Computed tomography, abdomen — axial view — W/L 400/40 HU — 15 organs annotated in this scan (a whole-scan count: organs this slice does not pass through have no box)
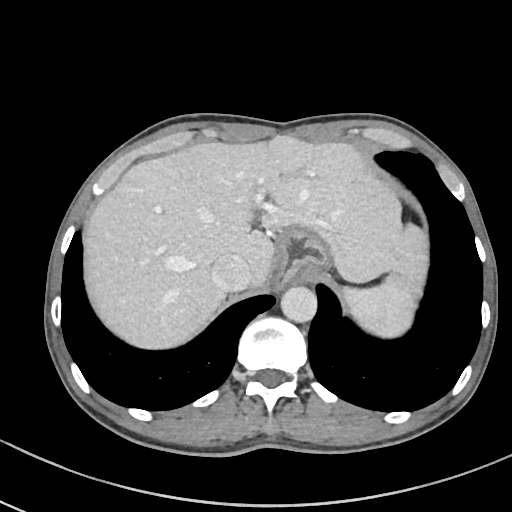
Boxes are (x1, y1, x2, y2) in pixels.
Organ bounding boxes:
- stomach: (274, 225, 333, 288)
- aorta: (280, 286, 316, 321)
- spleen: (340, 274, 417, 336)
- liver: (87, 135, 427, 347)
- inferior vena cava: (211, 255, 251, 292)